CT, abdomen/pelvis. axial plane, index 59. soft-tissue window (W 400 / L 40)
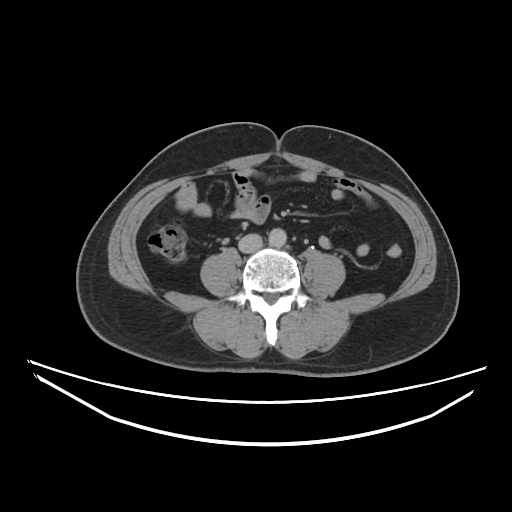

{"organs":{"aorta":[267,228,287,248],"inferior vena cava":[239,234,261,250]}}